CT, abdomen/pelvis. Axial slice 71/345. 512x512 px. 15 organs annotated in this scan (that count is for the whole scan; organs this slice misses have no box)
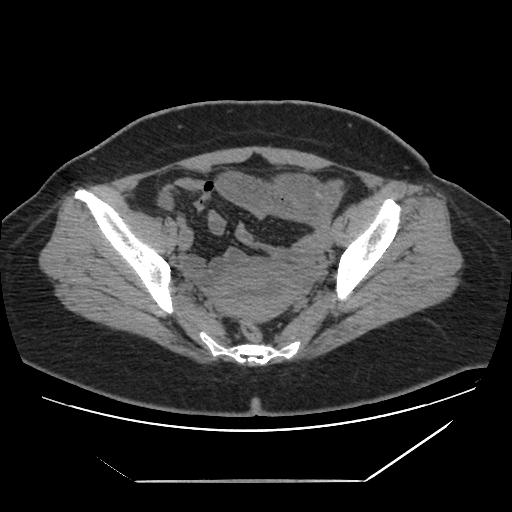 <organs><organ name="prostate/uterus" x1="212" y1="259" x2="304" y2="321"/></organs>